CT, abdomen/pelvis. axial plane, index 151
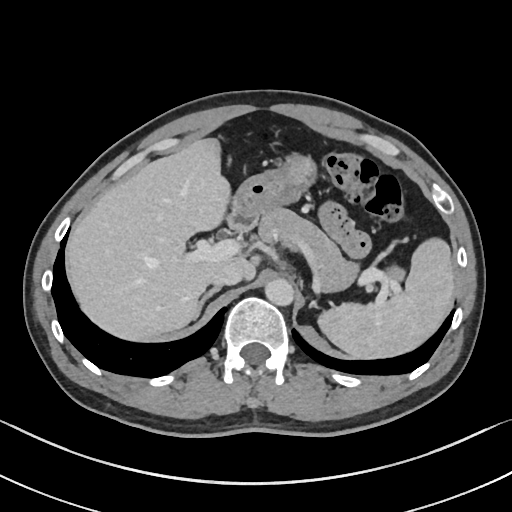

Boxes: x1 y1 x2 y2 (pixel coords, space-separated).
Organ bounding boxes:
- spleen: 318 238 454 358
- liver: 66 138 260 340
- stomach: 228 153 317 227
- aorta: 265 278 294 306
- inferior vena cava: 210 263 243 286
- pancreas: 259 207 403 291
- right adrenal gland: 196 287 220 317
- duodenum: 225 210 255 228